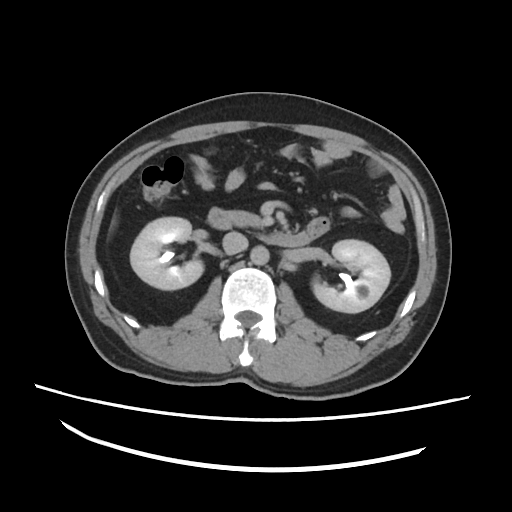

Computed tomography, abdomen · axial view · W/L 400/40 HU · 44-year-old male patient · acquired on Aquilion ONE · 15 organs annotated in this scan (counted over the whole 3D scan, not this slice; an organ is boxed only where this slice passes through it)
Bounding boxes as [x1, y1, x2, y2] in pixel coordinates.
Organ bounding boxes:
- left kidney: [312, 240, 390, 312]
- duodenum: [207, 208, 309, 247]
- pancreas: [225, 209, 259, 226]
- aorta: [251, 246, 269, 264]
- right kidney: [130, 217, 202, 289]
- inferior vena cava: [222, 232, 248, 254]